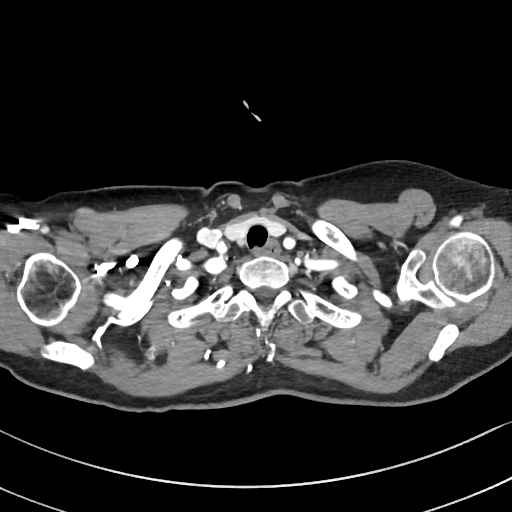
Chest-level slice from an abdominal CT that extends up into the chest; Axial slice 283/294; SOMATOM Force scanner
At this level of the chest this dataset labels only the esophagus and the aorta, and each is boxed only where it is labeled; the heart and lungs are never labeled. Bounding boxes as [x1, y1, x2, y2] in pixel coordinates. 1 labeled organ on this slice — esophagus at [255, 241, 278, 257].